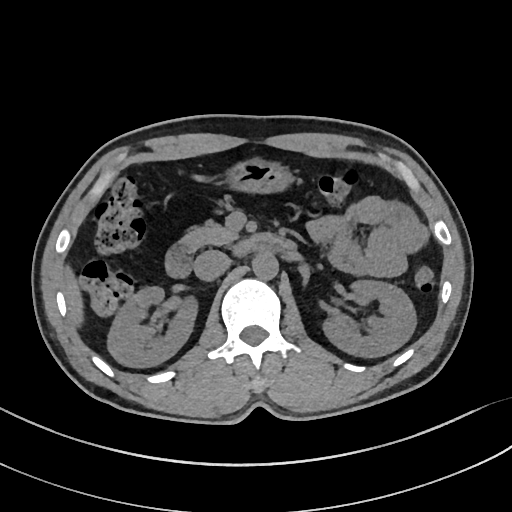

CT, abdomen/pelvis; axial view; acquired on SOMATOM Force
Bounding boxes in pixels, one row per box: x1, y1 is the top-left corner and x2, y2 the bottom-right.
| organ | x1 | y1 | x2 | y2 |
|---|---|---|---|---|
| right kidney | 107 | 286 | 197 | 367 |
| left kidney | 323 | 280 | 416 | 357 |
| liver | 65 | 267 | 83 | 326 |
| stomach | 225 | 158 | 293 | 193 |
| aorta | 252 | 253 | 278 | 279 |
| inferior vena cava | 194 | 250 | 230 | 280 |
| pancreas | 180 | 222 | 238 | 251 |
| duodenum | 165 | 234 | 294 | 277 |